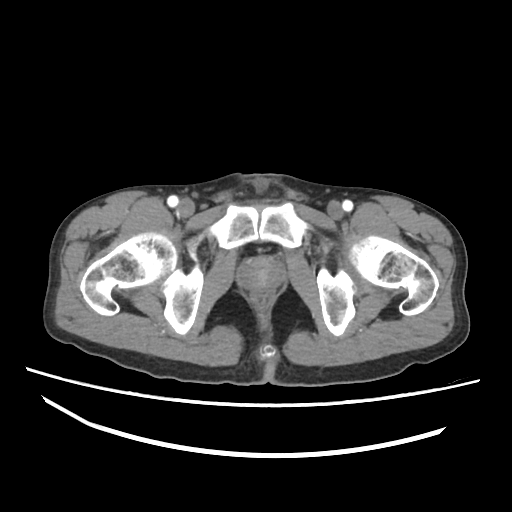 Computed tomography, abdomen · axial view · abdomen soft-tissue window · 512x512 px · 40-year-old male patient
Boxes are (x1, y1, x2, y2) in pixels.
prostate/uterus: (238, 257, 284, 289)